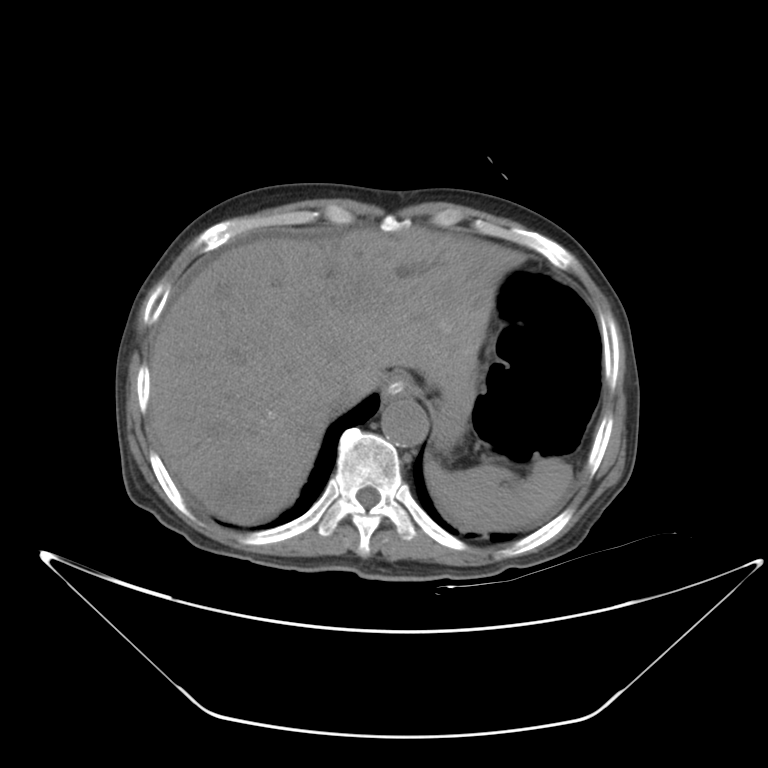

CT, abdomen/pelvis. axial view
One row per box, in pixels: columns x1 and y1 give the top-left corner, x2 and y2 the bottom-right.
| organ | x1 | y1 | x2 | y2 |
|---|---|---|---|---|
| aorta | 381 | 397 | 428 | 447 |
| liver | 149 | 226 | 522 | 524 |
| stomach | 432 | 384 | 479 | 453 |
| spleen | 424 | 457 | 573 | 532 |
| esophagus | 382 | 374 | 416 | 402 |
| inferior vena cava | 328 | 389 | 359 | 416 |